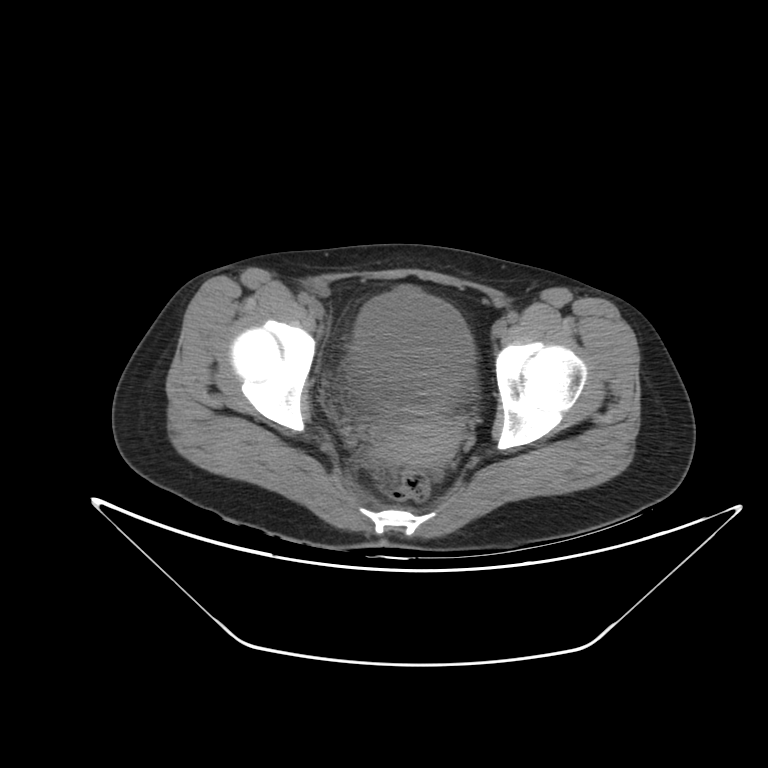 CT abdomen. axial plane, index 19. W/L 400/40 HU. 768x768 px
Each box given as x1,y1,x2,y2.
Organ bounding boxes:
- prostate/uterus: x1=370, y1=416, x2=459, y2=467
- bladder: x1=348, y1=287, x2=474, y2=399